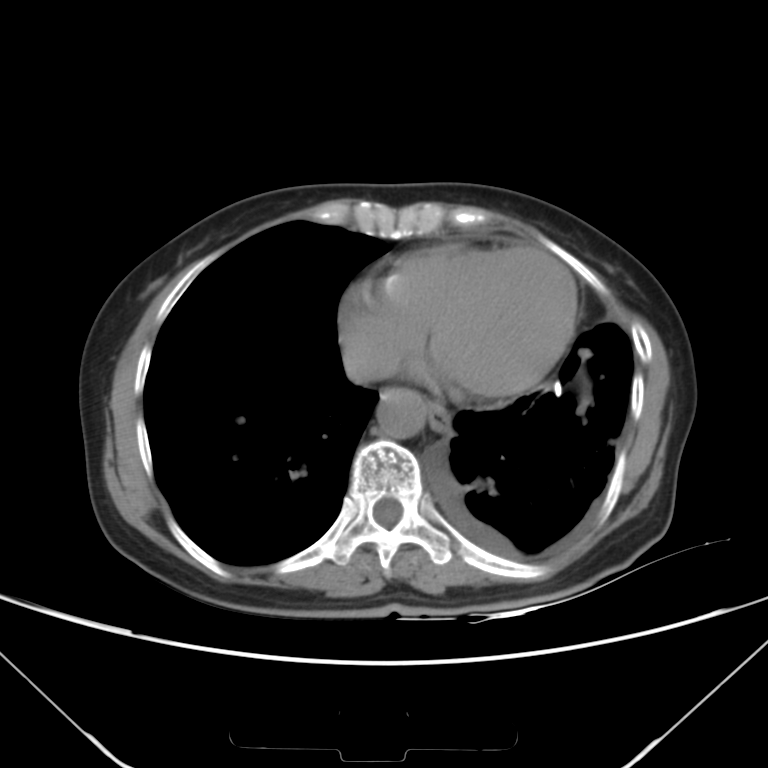 CT of the abdomen reaching into the lower chest, slice just above the liver and spleen. axial view. scan has 15 labeled organs (a whole-scan count: organs this slice does not pass through have no box)
Of the structures in the chest, this dataset labels only the esophagus, the aorta and the inferior vena cava; the heart and lungs have no label.
Bounding boxes in pixels, one row per box: x1, y1 is the top-left corner and x2, y2 the bottom-right.
| organ | x1 | y1 | x2 | y2 |
|---|---|---|---|---|
| esophagus | 428 | 403 | 451 | 434 |
| aorta | 377 | 387 | 427 | 439 |
| inferior vena cava | 344 | 347 | 383 | 383 |